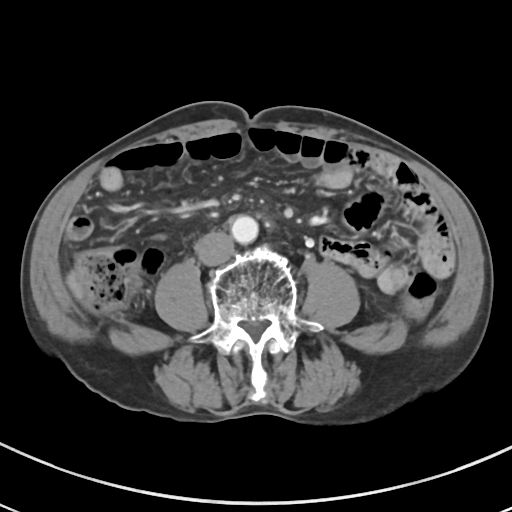 Computed tomography, abdomen. axial view. soft-tissue window. acquired on SOMATOM Force. scan has 15 labeled organs (a whole-scan count: organs this slice does not pass through have no box)
Boxes are (x1, y1, x2, y2) in pixels. Labeled organs on this slice: aorta at (231, 215, 258, 243), inferior vena cava at (194, 231, 234, 265).